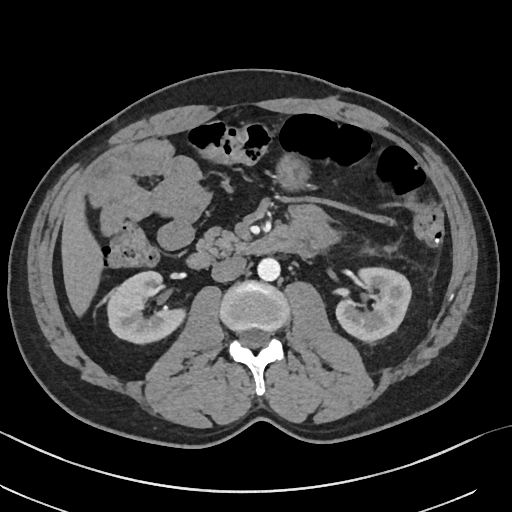 CT abdomen — axial view — 15 organs annotated in this scan (that count is for the whole scan; organs this slice misses have no box)
{"organs":{"right kidney":[106,270,184,342],"left kidney":[336,266,411,341],"liver":[61,189,101,313],"stomach":[278,157,304,187],"aorta":[257,257,280,280],"inferior vena cava":[212,256,246,282],"pancreas":[196,228,246,257],"duodenum":[189,230,293,268]}}